Magnetic resonance imaging, abdomen. Coronal slice 90/144. 260x320 px
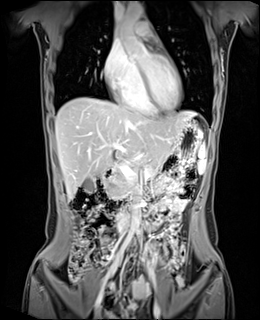
Coordinates as <box>x1,y1,x2,y2</box> in pixels.
Organ bounding boxes:
- spleen: <box>197,142,206,173</box>
- gall bladder: <box>82,179,95,191</box>
- liver: <box>55,97,196,198</box>
- stomach: <box>152,119,203,184</box>
- aorta: <box>120,3,144,37</box>
- aorta: <box>130,204,139,232</box>
- inferior vena cava: <box>117,211,127,230</box>
- pancreas: <box>105,147,160,199</box>
- duodenum: <box>95,169,145,213</box>